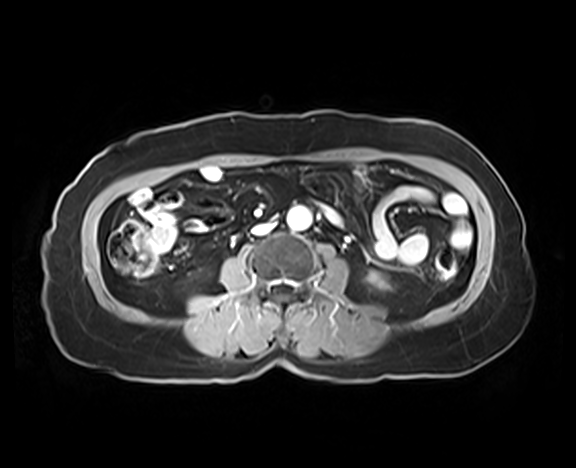
MRI, abdomen; Axial slice 3/72; 13 organs annotated in this scan (counted over the whole 3D scan, not this slice; an organ is boxed only where this slice passes through it)
Boxes: x1 y1 x2 y2 (pixel coords, space-separated).
aorta: 287 206 311 230
inferior vena cava: 252 223 273 234
left kidney: 372 275 377 280